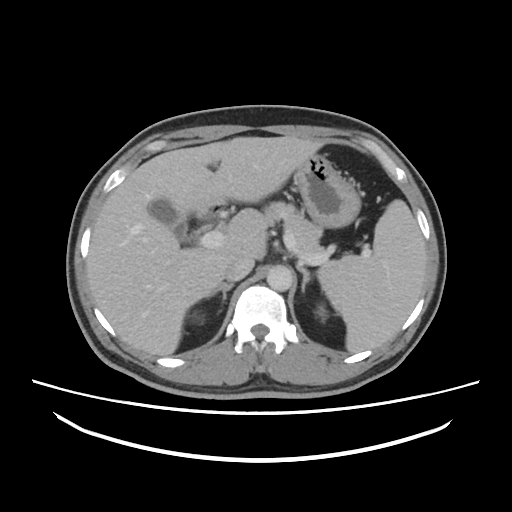
CT abdomen — axial view — W/L 400/40 HU — 512x512 px — 31-year-old male patient — scan has 15 labeled organs (a whole-scan count: organs this slice does not pass through have no box)
{"organs":{"spleen":[318,199,426,352],"right kidney":[195,315,196,318],"gall bladder":[148,199,187,241],"liver":[87,136,353,355],"stomach":[294,154,361,228],"aorta":[266,265,293,291],"inferior vena cava":[224,255,254,281],"pancreas":[264,201,325,261],"right adrenal gland":[209,283,233,303],"left adrenal gland":[297,265,311,291],"duodenum":[198,206,220,221]}}